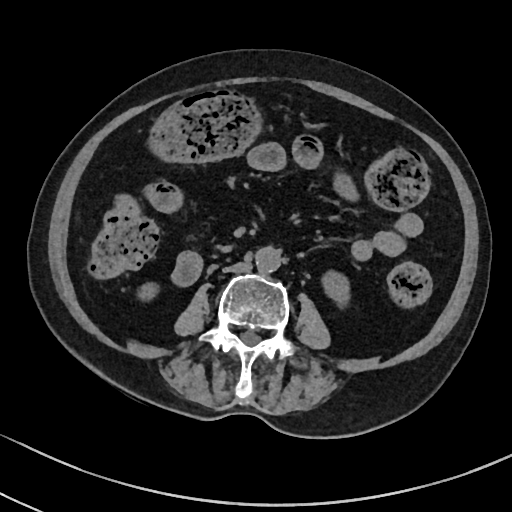 CT, abdomen/pelvis · axial plane, index 114 · soft-tissue window · 512x512 px · SOMATOM Force scanner
Each box given as x1,y1,x2,y2. 4 labeled organs on this slice — right kidney at x1=141, y1=285, x2=154, y2=298; left kidney at x1=323, y1=272, x2=348, y2=301; aorta at x1=255, y1=246, x2=280, y2=272; inferior vena cava at x1=223, y1=261, x2=251, y2=272.